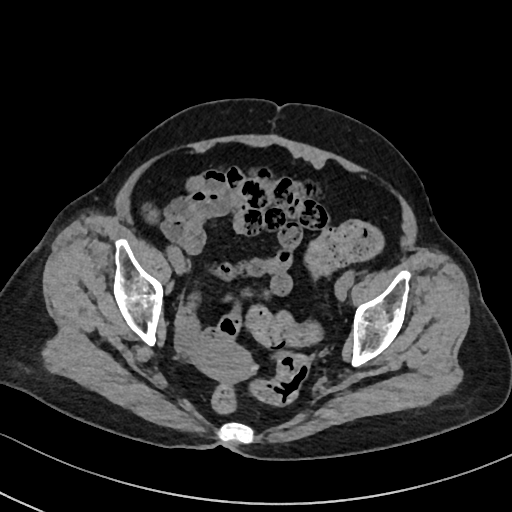
CT, abdomen/pelvis. Axial slice 55/202. soft-tissue window (W 400 / L 40). 512x512 px. SOMATOM Force scanner. scan has 15 labeled organs (that count is for the whole scan; organs this slice misses have no box)
{"organs":{"prostate/uterus":[197,340,256,382]}}